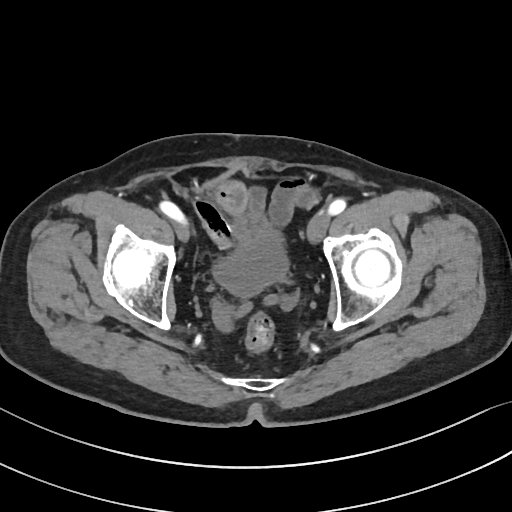 Computed tomography, abdomen · axial view · 512x512 px
<organs><organ name="bladder" x1="213" y1="230" x2="288" y2="296"/></organs>